CT abdomen · axial plane, index 63 · soft-tissue window (W 400 / L 40)
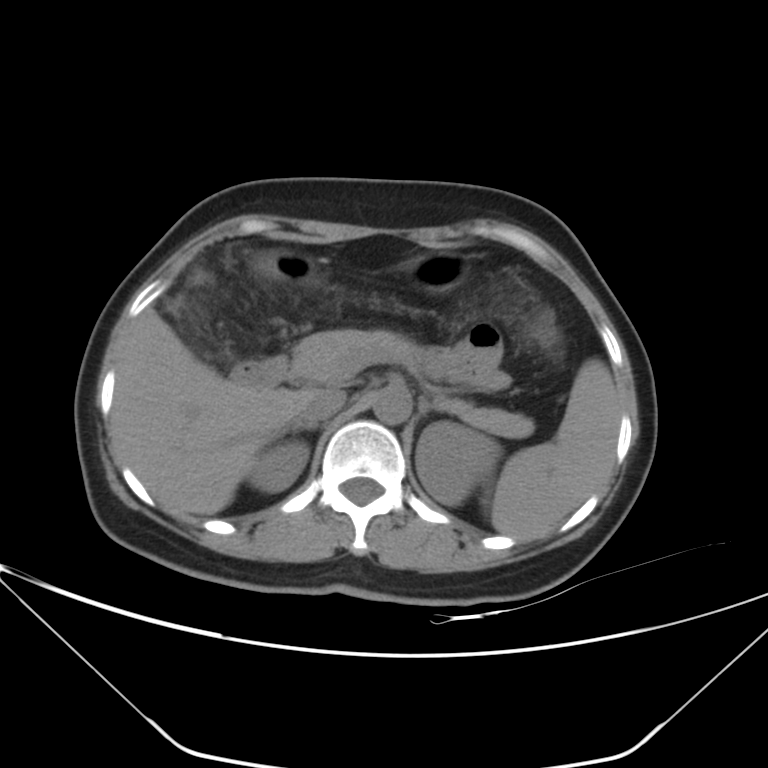

Boxes are (x1, y1, x2, y2) in pixels.
spleen: (488, 359, 619, 539)
right kidney: (249, 441, 309, 492)
left kidney: (415, 422, 501, 506)
gall bladder: (194, 272, 204, 282)
liver: (112, 308, 314, 515)
stomach: (408, 250, 468, 292)
aorta: (373, 387, 410, 424)
inferior vena cava: (302, 389, 345, 422)
pancreas: (290, 329, 529, 437)
right adrenal gland: (291, 423, 317, 432)
left adrenal gland: (417, 397, 438, 418)
duodenum: (231, 356, 289, 388)